CT, abdomen/pelvis. axial view. abdomen soft-tissue window. 768x768 px. scan has 15 labeled organs (a whole-scan count: organs this slice does not pass through have no box)
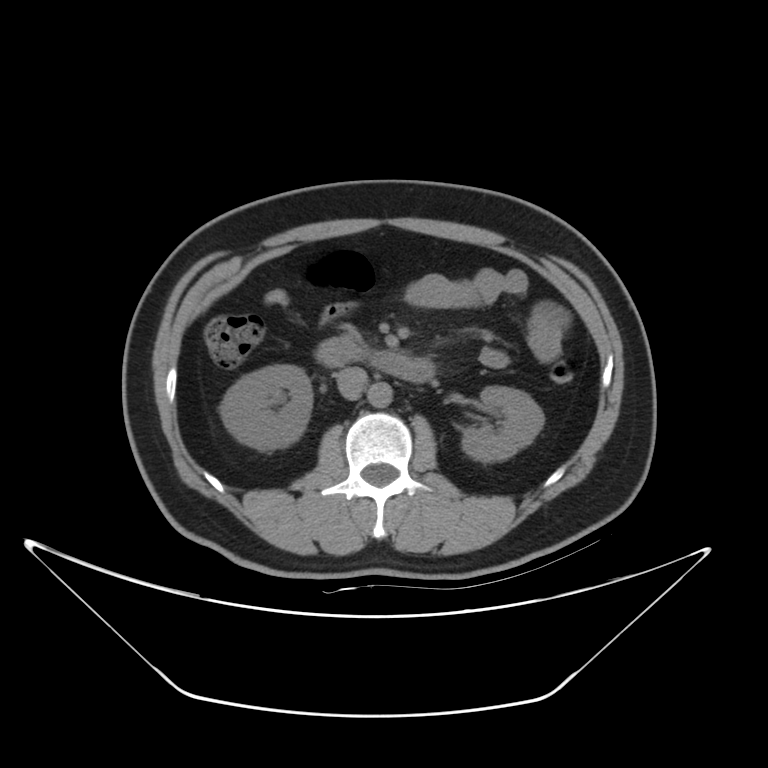 Organ boxes in pixel coordinates; each row gives the top-left (x1, y1) and bottom-right (x2, y2) corners.
| organ | x1 | y1 | x2 | y2 |
|---|---|---|---|---|
| right kidney | 219 | 365 | 312 | 450 |
| left kidney | 461 | 387 | 544 | 462 |
| aorta | 367 | 381 | 392 | 406 |
| inferior vena cava | 336 | 367 | 368 | 400 |
| pancreas | 327 | 329 | 365 | 351 |
| duodenum | 316 | 341 | 435 | 382 |